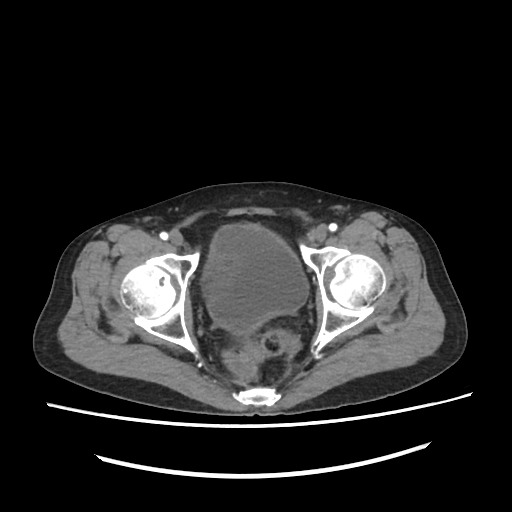
CT abdomen. axial view
Each box given as x1,y1,x2,y2. Labeled organs on this slice: bladder at x1=205, y1=223, x2=306, y2=333.